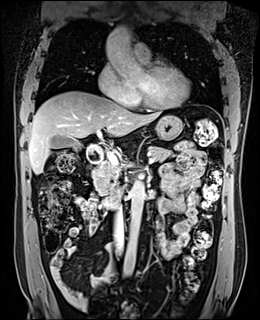 MRI, abdomen · coronal view · 13 organs annotated in this scan (a whole-scan count: organs this slice does not pass through have no box)
{"organs":{"gall bladder":[51,135,81,151],"liver":[28,91,161,174],"stomach":[155,115,182,140],"aorta":[[105,26,147,82],[122,178,145,273]],"inferior vena cava":[113,203,123,254],"pancreas":[93,146,173,194],"duodenum":[86,144,122,208]}}